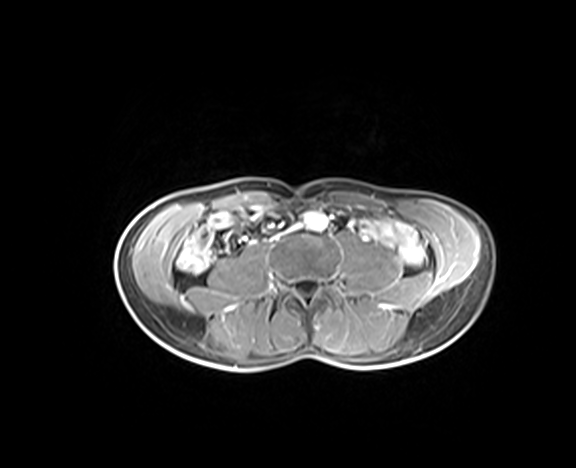
Magnetic resonance imaging, abdomen. axial view. 13 organs annotated in this scan (that count is for the whole scan; organs this slice misses have no box)
{"organs":{"aorta":[304,212,327,230]}}